CT abdomen; axial plane, index 153; 512x512 px
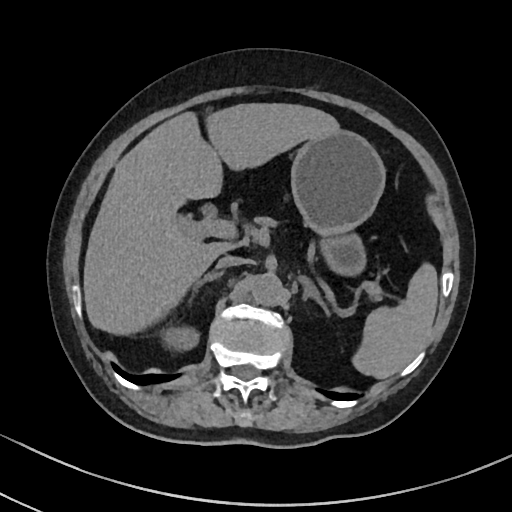 Boxes are (x1, y1, x2, y2) in pixels.
spleen: (352, 263, 438, 379)
right kidney: (164, 328, 199, 348)
liver: (83, 103, 340, 335)
stomach: (290, 130, 385, 276)
aorta: (251, 273, 283, 305)
inferior vena cava: (216, 255, 243, 268)
pancreas: (259, 219, 380, 296)
right adrenal gland: (189, 271, 223, 303)
left adrenal gland: (299, 276, 329, 315)